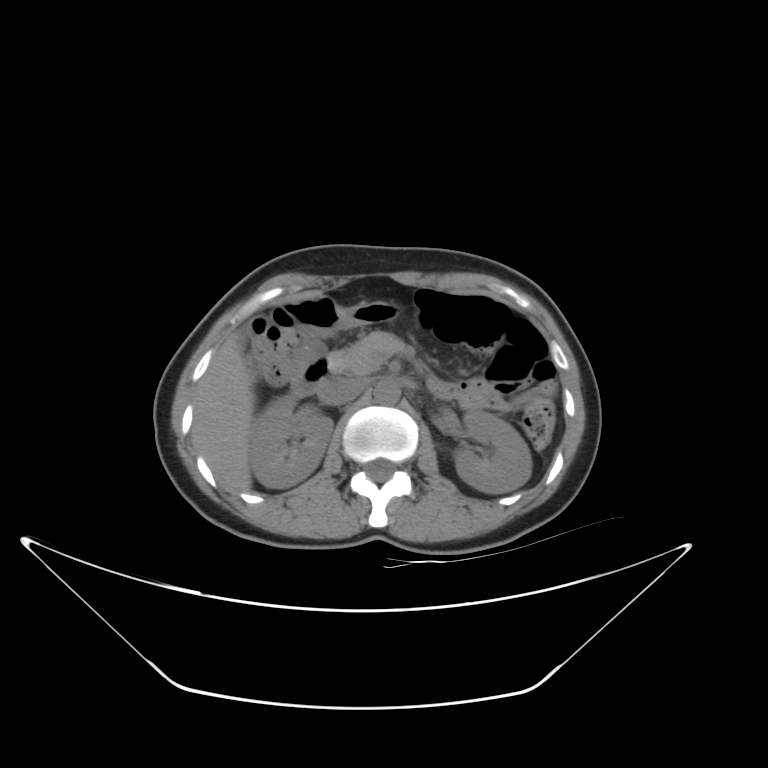 Abdominal CT — axial view — W/L 400/40 HU — 768x768 px — 43-year-old female patient
Bounding boxes in pixels, one row per box: x1, y1 is the top-left corner and x2, y2 the bottom-right.
| organ | x1 | y1 | x2 | y2 |
|---|---|---|---|---|
| right kidney | 249 | 393 | 333 | 487 |
| left kidney | 455 | 409 | 532 | 494 |
| liver | 194 | 335 | 253 | 491 |
| aorta | 374 | 379 | 399 | 404 |
| inferior vena cava | 317 | 375 | 365 | 406 |
| pancreas | 329 | 331 | 413 | 373 |
| duodenum | 291 | 357 | 330 | 397 |